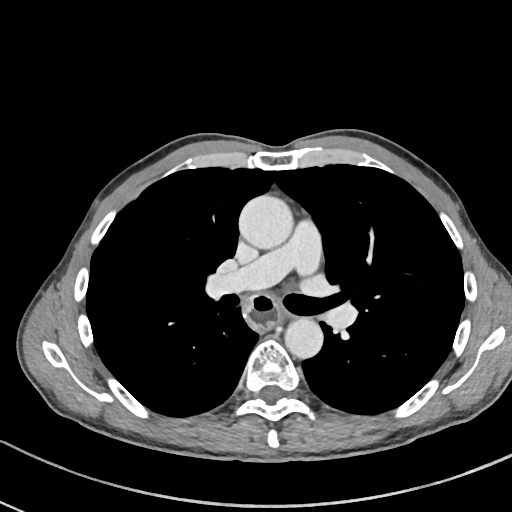 Abdominal CT reaching into the chest; this slice is in the chest — axial view — soft-tissue window, W/L 400/40 — 512x512 px
At this level of the chest this dataset labels only the esophagus and the aorta, and each is boxed only where it is labeled; the heart and lungs are never labeled.
{"organs":{"esophagus":[246,295,279,328],"aorta":[[238,194,292,248],[284,317,323,358]]}}